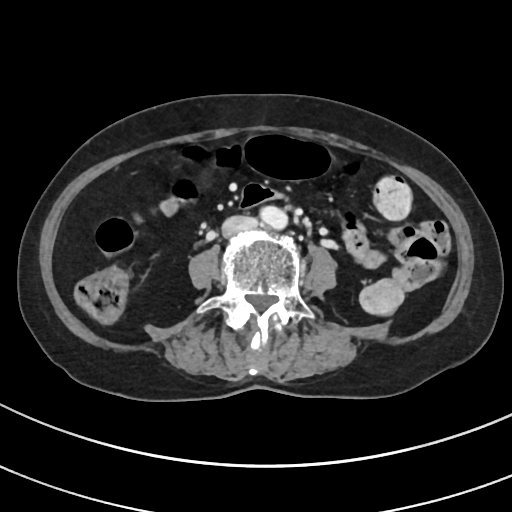

CT, abdomen/pelvis · Axial slice 100/284 · soft-tissue window · SOMATOM Force scanner
Boxes are (x1, y1, x2, y2) in pixels.
Organ bounding boxes:
- aorta: (258, 205, 287, 229)
- inferior vena cava: (222, 216, 258, 237)